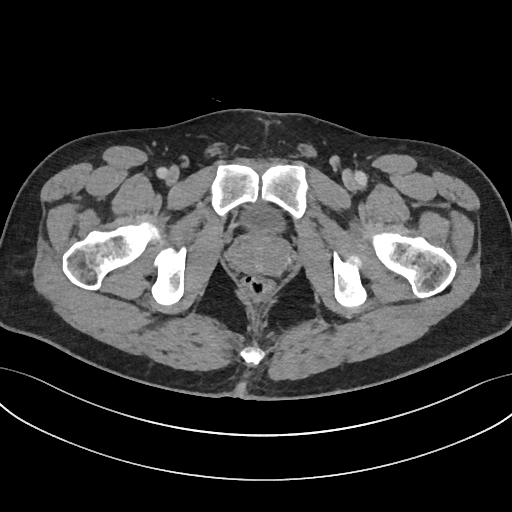

CT, abdomen/pelvis. Axial slice 24/345. 512x512 px
{"organs":{"bladder":[242,206,283,234],"prostate/uterus":[230,235,286,275]}}